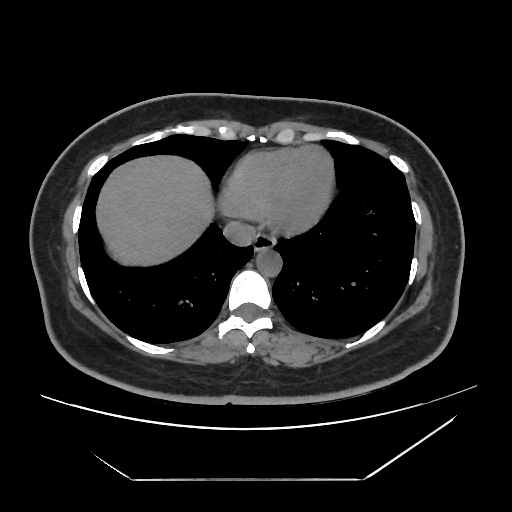 CT abdomen; axial view; soft-tissue window
Boxes: x1 y1 x2 y2 (pixel coords, space-separated). 4 labeled organs on this slice — aorta at 256 248 281 275; liver at 93 154 213 266; esophagus at 255 231 274 249; inferior vena cava at 222 220 256 246.